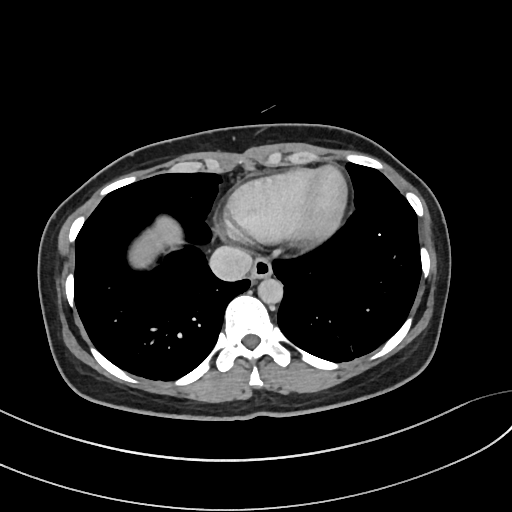 CT abdomen — axial view — soft-tissue window (W 400 / L 40) — acquired on SOMATOM Force — scan has 15 labeled organs (that count is for the whole scan; organs this slice misses have no box)
<organs><organ name="esophagus" x1="251" y1="258" x2="273" y2="279"/><organ name="liver" x1="132" y1="218" x2="182" y2="267"/><organ name="aorta" x1="258" y1="277" x2="283" y2="304"/><organ name="inferior vena cava" x1="210" y1="247" x2="252" y2="280"/></organs>